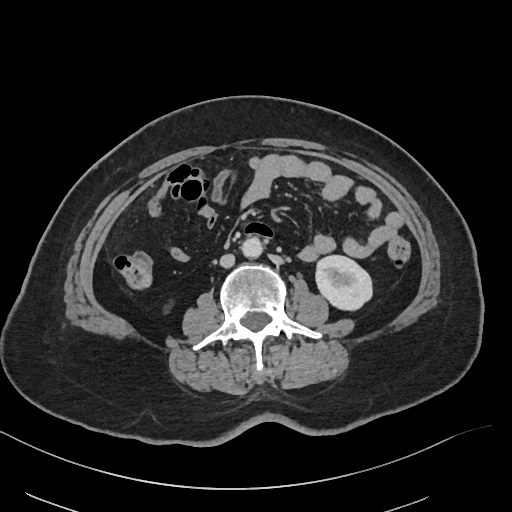

CT, abdomen/pelvis — axial view — acquired on SOMATOM Force
One row per box, in pixels: columns x1 and y1 give the top-left corner, x2 and y2 the bottom-right.
| organ | x1 | y1 | x2 | y2 |
|---|---|---|---|---|
| inferior vena cava | 220 | 254 | 234 | 267 |
| aorta | 241 | 237 | 262 | 258 |
| left kidney | 315 | 255 | 372 | 310 |